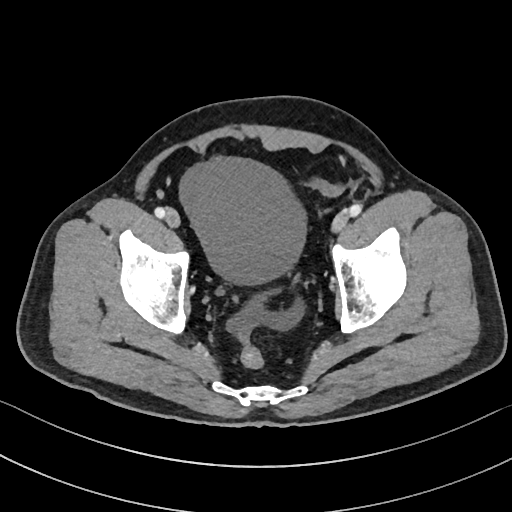

CT, abdomen/pelvis; axial view; W/L 400/40 HU; 512x512 px; scan has 15 labeled organs (counted over the whole 3D scan, not this slice; an organ is boxed only where this slice passes through it)
{"organs":{"bladder":[179,158,305,283]}}